CT abdomen · axial view · abdomen soft-tissue window · 51-year-old male patient
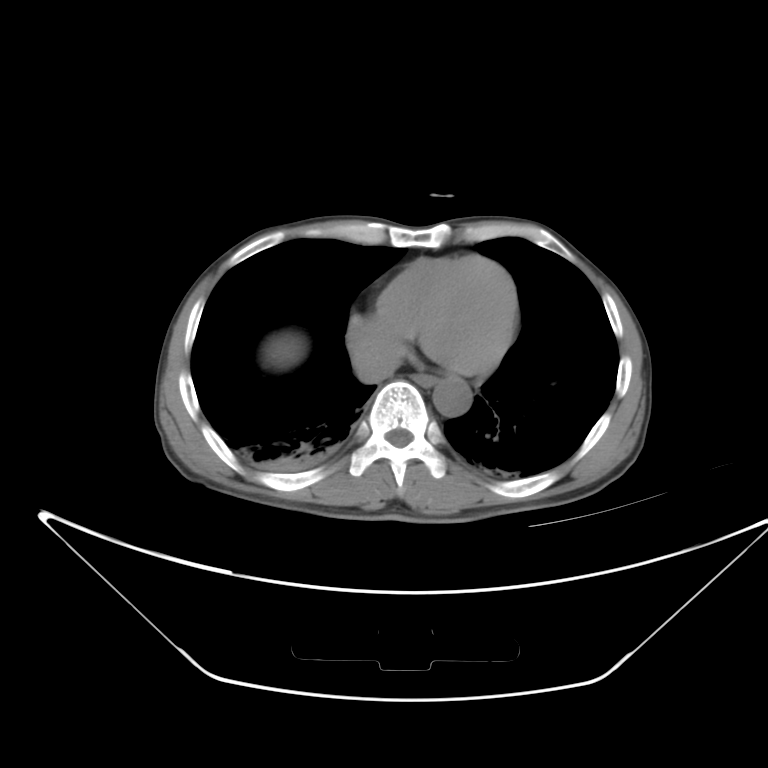

One row per box, in pixels: columns x1 and y1 give the top-left corner, x2 and y2 the bottom-right.
| organ | x1 | y1 | x2 | y2 |
|---|---|---|---|---|
| esophagus | 414 | 374 | 436 | 388 |
| liver | 261 | 332 | 308 | 368 |
| aorta | 432 | 377 | 472 | 418 |
| inferior vena cava | 352 | 346 | 407 | 381 |